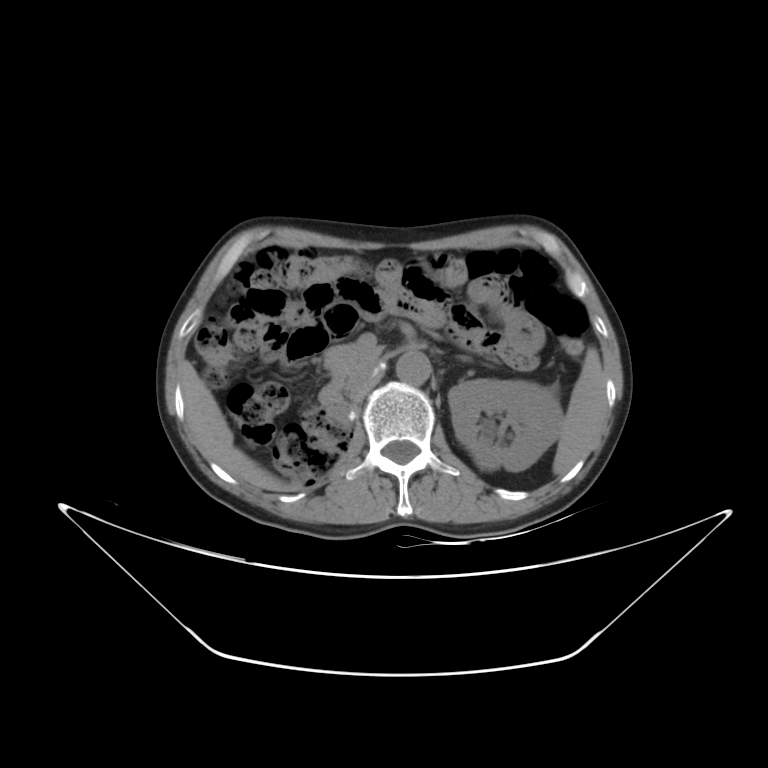 Abdominal CT · axial view · 768x768 px · 14 organs annotated in this scan (a whole-scan count: organs this slice does not pass through have no box)
Each box given as x1,y1,x2,y2.
spleen: x1=552, y1=347, x2=606, y2=475
duodenum: x1=319, y1=387, x2=348, y2=423
liver: x1=181, y1=362, x2=297, y2=491
pancreas: x1=324, y1=343, x2=379, y2=390
left kidney: x1=448, y1=378, x2=563, y2=471
aorta: x1=396, y1=350, x2=431, y2=384
inferior vena cava: x1=346, y1=364, x2=376, y2=399